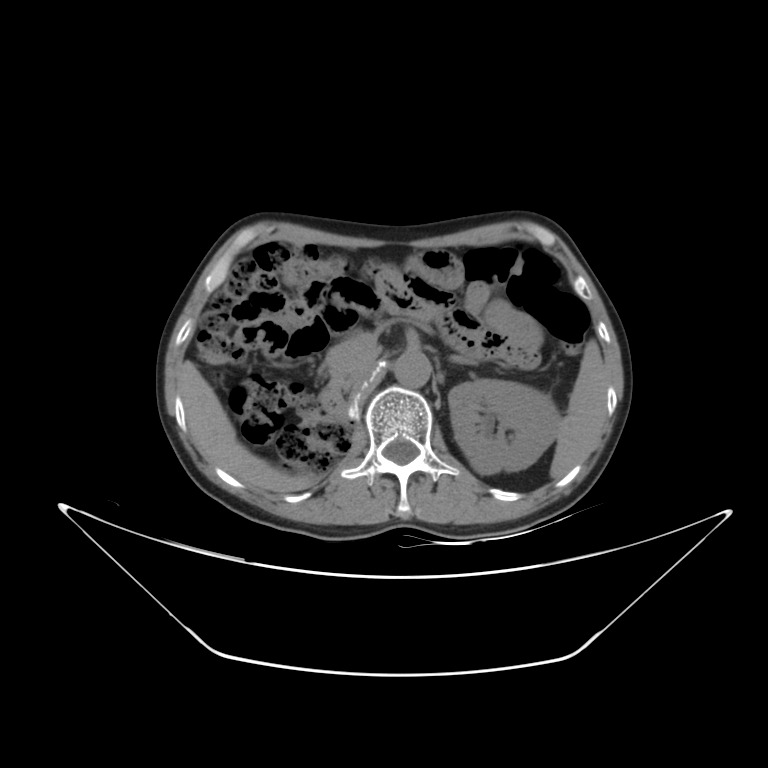
Abdominal CT. axial view. 768x768 px. 52-year-old male patient. scan has 14 labeled organs (a whole-scan count: organs this slice does not pass through have no box)
<organs><organ name="pancreas" x1="325" y1="331" x2="378" y2="389"/><organ name="left adrenal gland" x1="449" y1="355" x2="466" y2="363"/><organ name="liver" x1="179" y1="361" x2="313" y2="492"/><organ name="inferior vena cava" x1="349" y1="370" x2="369" y2="394"/><organ name="duodenum" x1="320" y1="385" x2="346" y2="420"/><organ name="left kidney" x1="448" y1="379" x2="560" y2="474"/><organ name="aorta" x1="393" y1="351" x2="431" y2="387"/><organ name="spleen" x1="550" y1="340" x2="607" y2="479"/></organs>